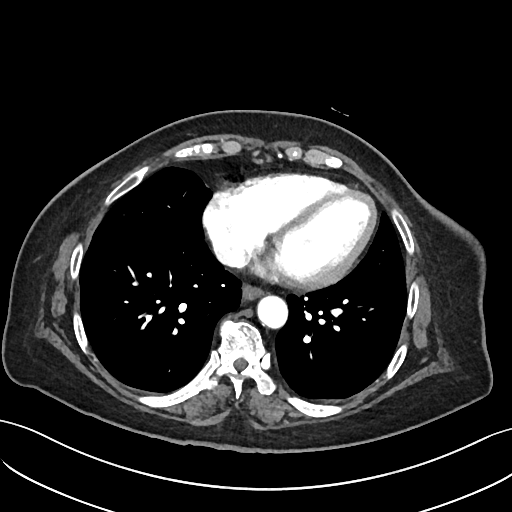 CT of the abdomen reaching into the lower chest, slice just above the liver and spleen — axial view — W/L 400/40 HU
The heart and lungs are never labeled in this dataset, so they have no box on this slice.
{"organs":{"esophagus":[242,285,262,300],"aorta":[257,295,287,328],"inferior vena cava":[214,240,247,267]}}